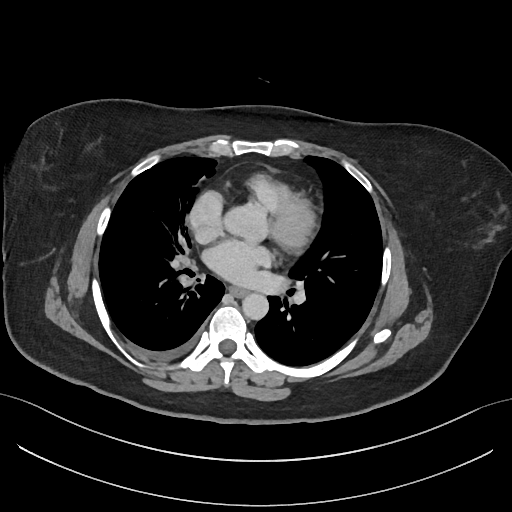 Abdominal CT; this slice is in the lower chest, just above the liver — axial view — 512x512 px
Of the structures in the chest, this dataset labels only the esophagus, the aorta and the inferior vena cava; the heart and lungs have no label.
<organs><organ name="esophagus" x1="230" y1="287" x2="248" y2="297"/><organ name="aorta" x1="224" y1="206" x2="265" y2="238"/><organ name="aorta" x1="242" y1="293" x2="268" y2="320"/></organs>